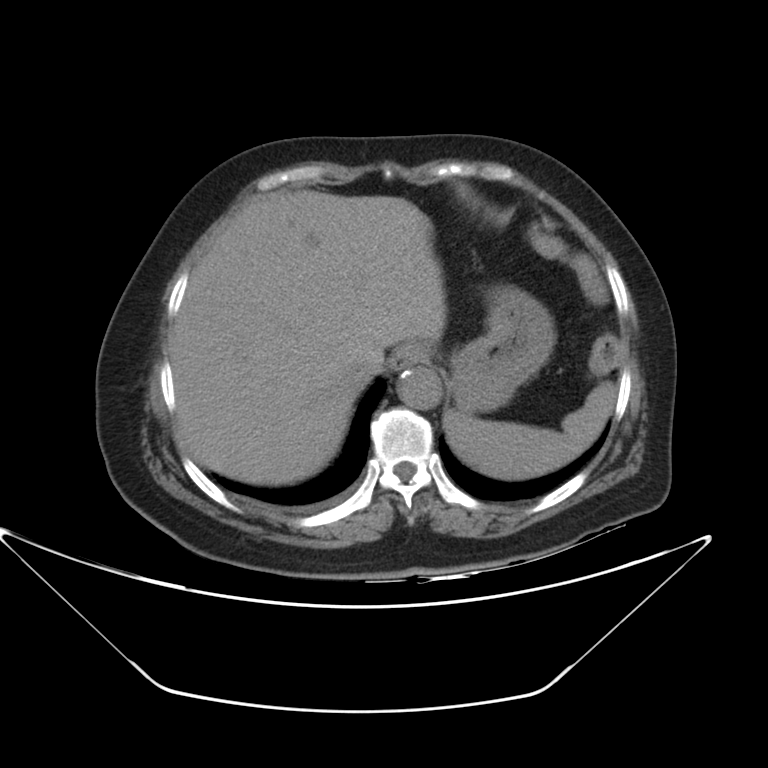

Computed tomography, abdomen — axial plane, index 80 — W/L 400/40 HU — Brilliance16 scanner — 15 organs annotated in this scan (a whole-scan count: organs this slice does not pass through have no box)
<organs><organ name="spleen" x1="445" y1="381" x2="616" y2="480"/><organ name="esophagus" x1="391" y1="342" x2="426" y2="370"/><organ name="liver" x1="171" y1="191" x2="446" y2="485"/><organ name="stomach" x1="450" y1="286" x2="554" y2="411"/><organ name="aorta" x1="397" y1="365" x2="441" y2="409"/><organ name="inferior vena cava" x1="346" y1="341" x2="383" y2="379"/></organs>